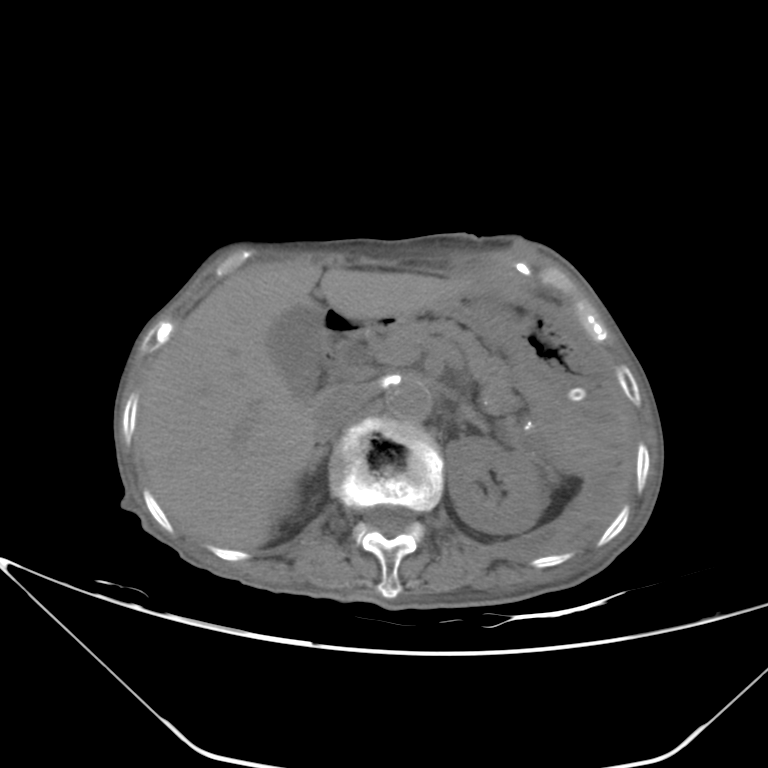 Computed tomography, abdomen — axial view — abdomen soft-tissue window — 80-year-old female patient
{"organs":{"right kidney":[276,491,297,515],"left kidney":[446,437,548,534],"gall bladder":[267,303,325,394],"liver":[135,262,476,549],"stomach":[388,283,601,445],"aorta":[388,379,432,421],"inferior vena cava":[313,385,369,441],"pancreas":[382,319,519,413],"right adrenal gland":[306,444,328,475],"left adrenal gland":[458,403,488,433],"duodenum":[321,312,394,379]}}